Abdominal CT; axial view; soft-tissue window (W 400 / L 40)
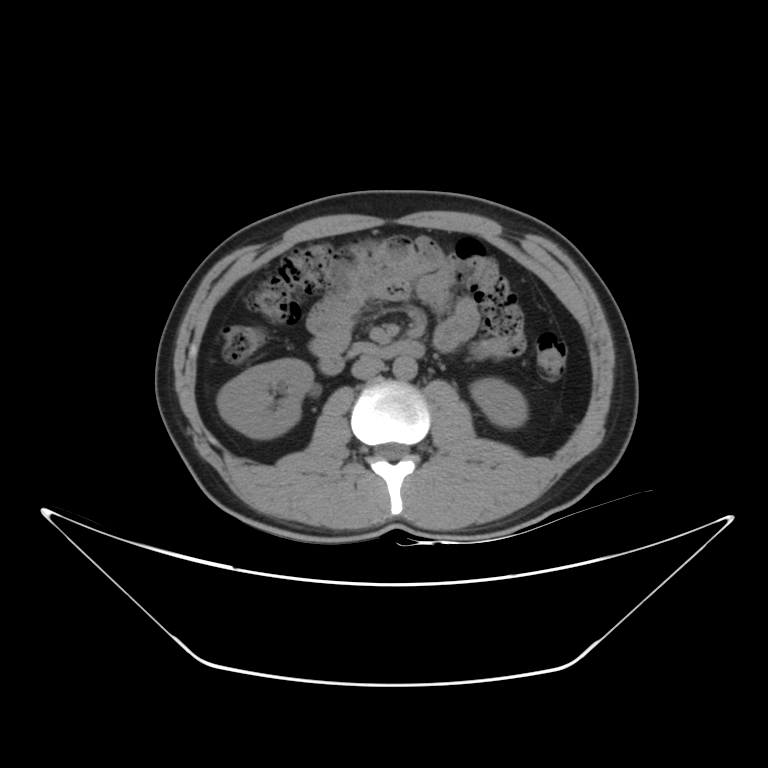 Boxes: x1 y1 x2 y2 (pixel coords, space-separated).
Organ bounding boxes:
- right kidney: 217 359 313 438
- left kidney: 470 378 527 427
- aorta: 392 356 416 380
- inferior vena cava: 351 356 384 378
- pancreas: 348 342 373 355
- duodenum: 318 340 424 375